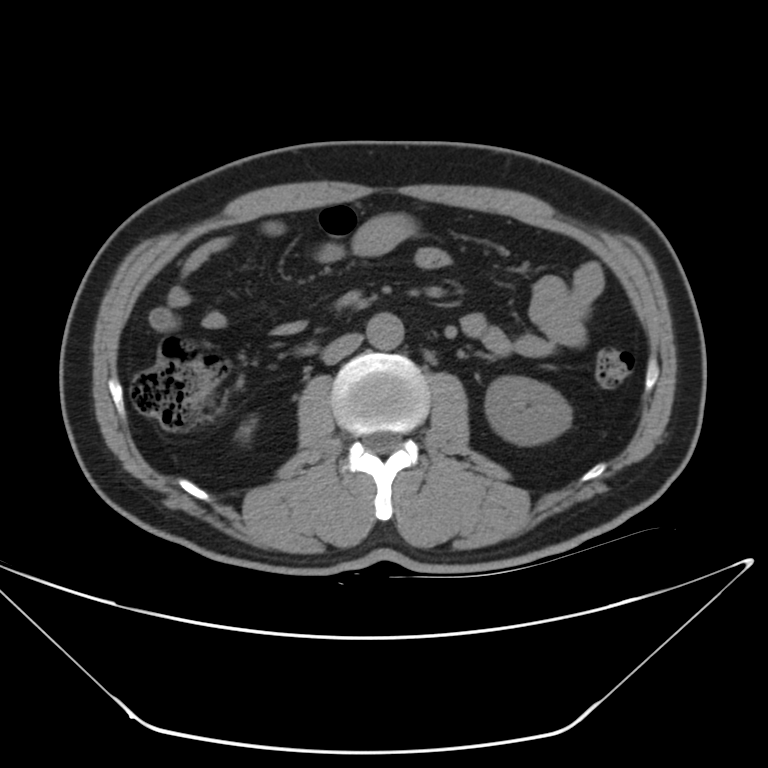

CT abdomen · axial view · soft-tissue window · 45-year-old male patient
Box edges are left/top/right/bottom in pixels.
Organ bounding boxes:
- left kidney: left=483, top=376, right=571, bottom=444
- inferior vena cava: left=323, top=334, right=362, bottom=364
- right kidney: left=238, top=419, right=257, bottom=438
- aorta: left=366, top=311, right=405, bottom=350